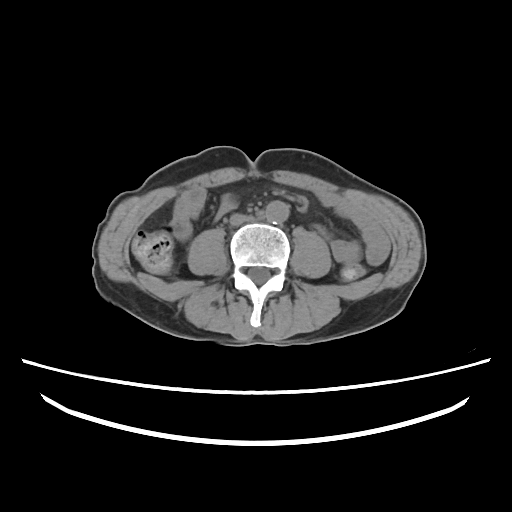 CT, abdomen/pelvis · axial view · 512x512 px
{"organs":{"aorta":[265,201,288,223]}}